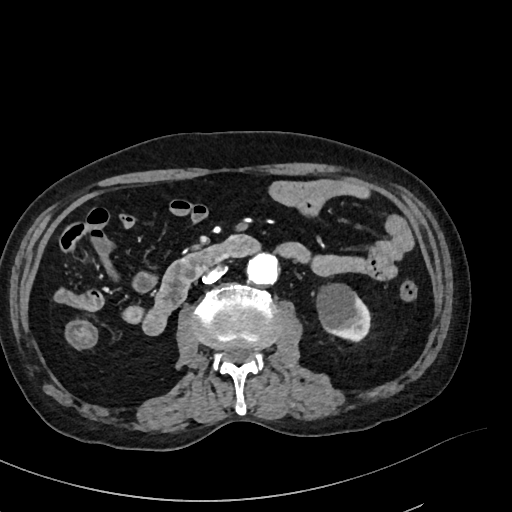

CT, abdomen/pelvis; axial view; W/L 400/40 HU; 512x512 px; acquired on SOMATOM Force
{"organs":{"duodenum":[142,235,261,337],"inferior vena cava":[202,266,224,284],"aorta":[246,252,279,285],"left kidney":[319,284,371,340]}}